CT, abdomen/pelvis; axial view; 512x512 px; SOMATOM Force scanner; scan has 15 labeled organs (that count is for the whole scan; organs this slice misses have no box)
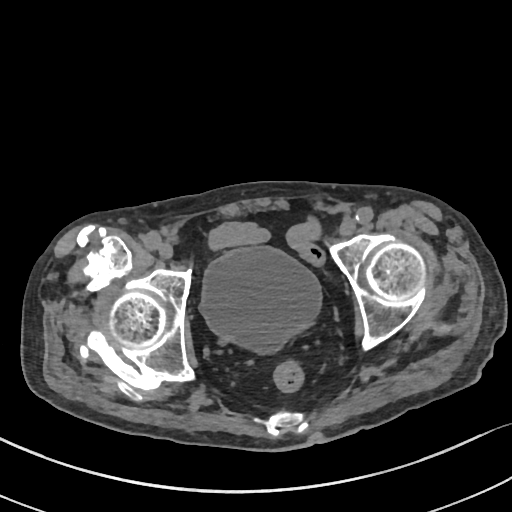

Boxes: x1 y1 x2 y2 (pixel coords, space-separated). The annotated organs in this slice are: bladder at 201 246 322 354.